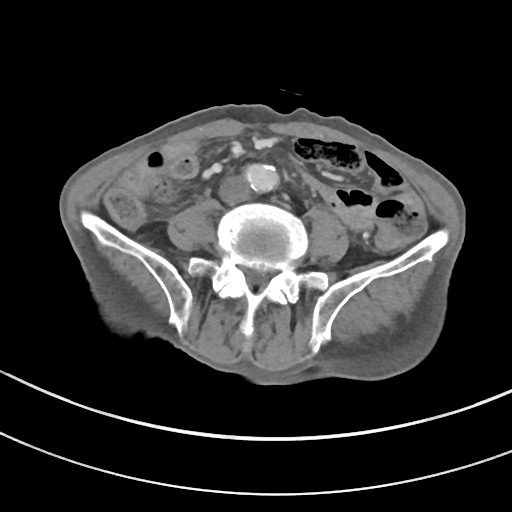 Abdominal CT — axial view — abdomen soft-tissue window — 512x512 px — scan has 15 labeled organs (that count is for the whole scan; organs this slice misses have no box)
Boxes are (x1, y1, x2, y2) in pixels.
aorta: (244, 164, 278, 191)
inferior vena cava: (221, 178, 249, 202)